CT, abdomen/pelvis. axial view. soft-tissue window
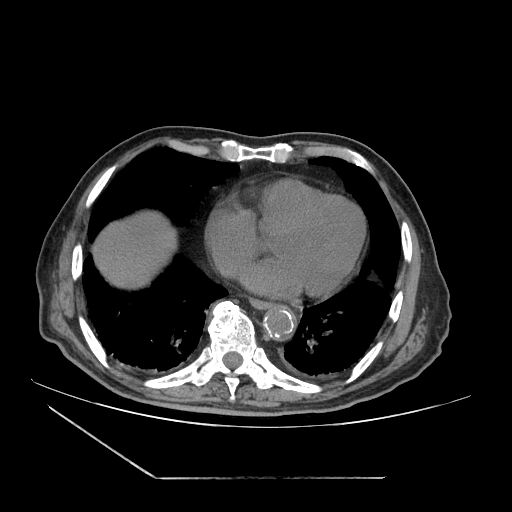

<organs><organ name="esophagus" x1="250" y1="300" x2="271" y2="310"/><organ name="liver" x1="92" y1="212" x2="177" y2="287"/><organ name="aorta" x1="263" y1="306" x2="296" y2="341"/></organs>